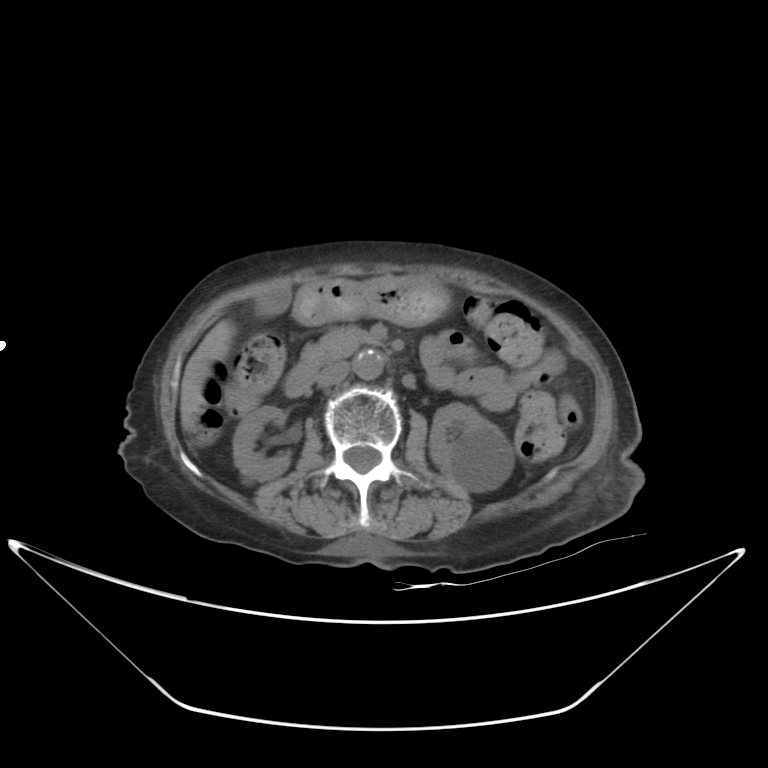
CT, abdomen/pelvis — axial plane, index 51 — scan has 15 labeled organs (counted over the whole 3D scan, not this slice; an organ is boxed only where this slice passes through it)
<organs><organ name="inferior vena cava" x1="316" y1="361" x2="350" y2="386"/><organ name="gall bladder" x1="258" y1="287" x2="290" y2="314"/><organ name="right kidney" x1="233" y1="406" x2="289" y2="481"/><organ name="aorta" x1="354" y1="349" x2="383" y2="379"/><organ name="left kidney" x1="428" y1="402" x2="514" y2="492"/><organ name="pancreas" x1="302" y1="326" x2="372" y2="366"/><organ name="stomach" x1="293" y1="276" x2="449" y2="326"/><organ name="liver" x1="180" y1="320" x2="234" y2="430"/><organ name="duodenum" x1="285" y1="359" x2="319" y2="397"/></organs>